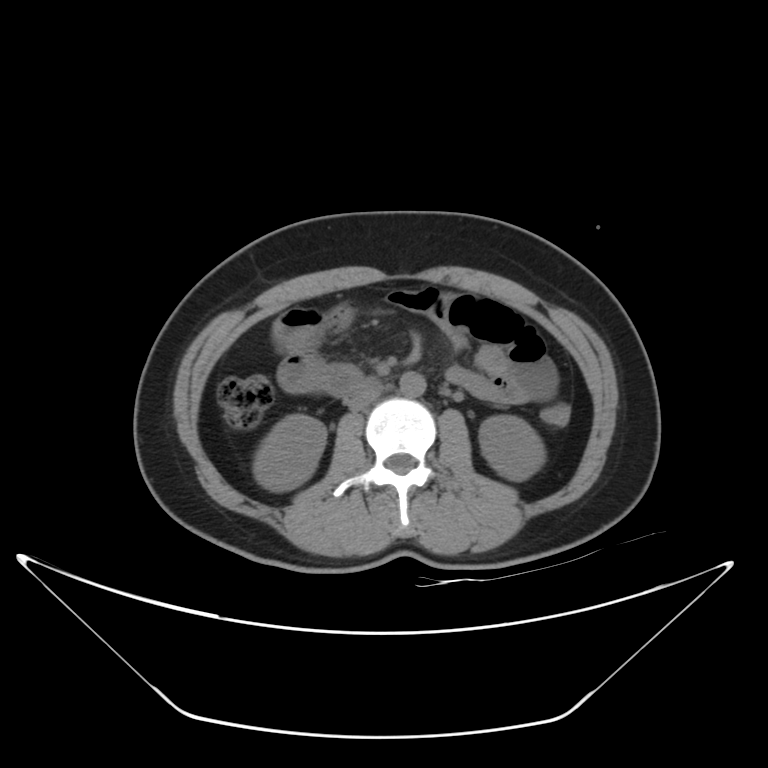

CT, abdomen/pelvis. axial plane, index 60. soft-tissue window (W 400 / L 40)
Each box given as x1,y1,x2,y2. 5 labeled organs on this slice — inferior vena cava at x1=348, y1=381, x2=383, y2=411; right kidney at x1=252, y1=414, x2=325, y2=490; duodenum at x1=346, y1=376, x2=377, y2=393; aorta at x1=400, y1=372, x2=426, y2=396; left kidney at x1=479, y1=415, x2=544, y2=480.